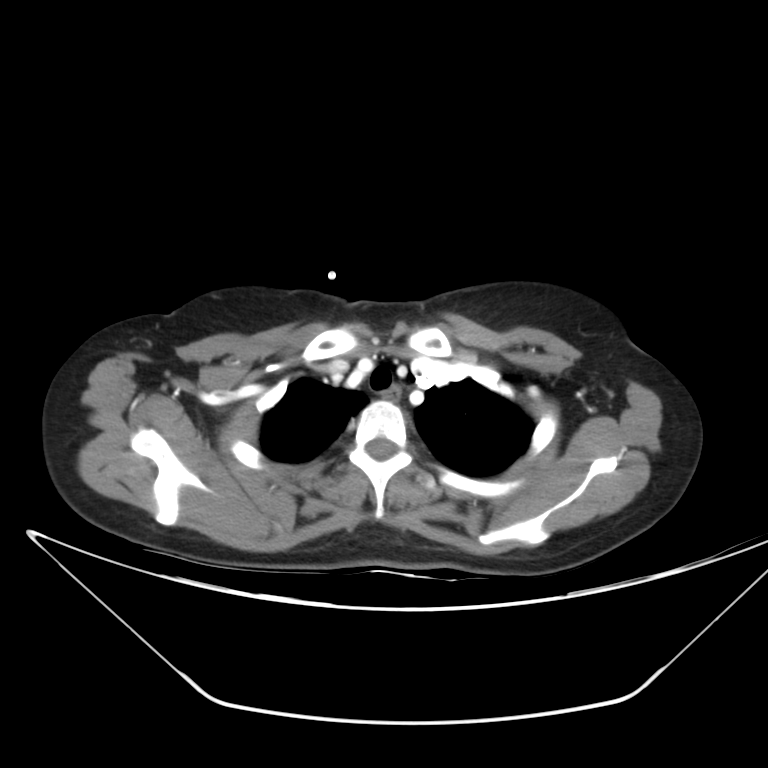

CT of the abdomen extending into the chest, slice through the chest; axial plane, index 65; 34-year-old female patient
At this level of the chest this dataset labels only the esophagus and the aorta, and each is boxed only where it is labeled; the heart and lungs are never labeled. Boxes: x1 y1 x2 y2 (pixel coords, space-separated). Labeled organs on this slice: esophagus at 382 386 398 402.